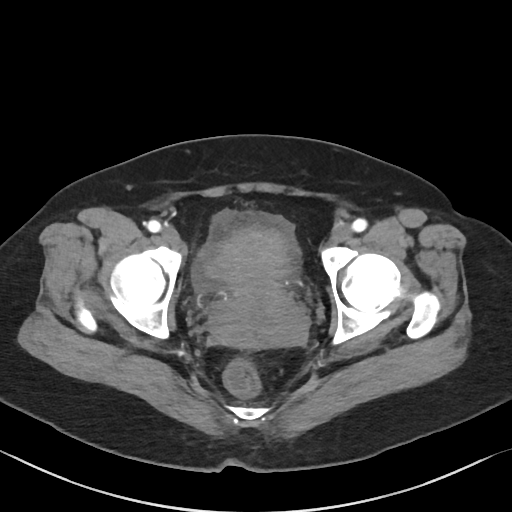
CT abdomen — axial view — scan has 15 labeled organs (that count is for the whole scan; organs this slice misses have no box)
Organ boxes in pixel coordinates; each row gives the top-left (x1, y1) and bottom-right (x2, y2) corners.
| organ | x1 | y1 | x2 | y2 |
|---|---|---|---|---|
| prostate/uterus | 206 | 225 | 305 | 347 |